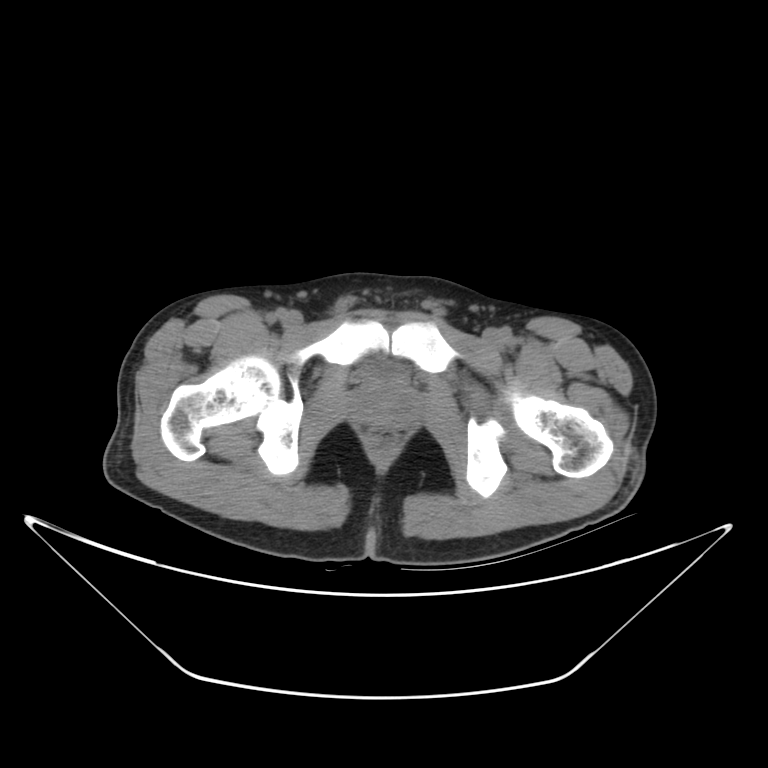 CT abdomen · axial view · 31-year-old male patient
{"organs":{"prostate/uterus":[350,381,420,424],"bladder":[352,360,413,384]}}